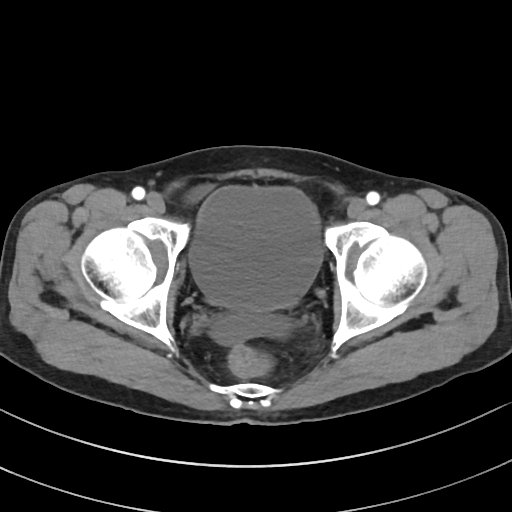

Abdominal CT; axial plane, index 14; 512x512 px; SOMATOM Force scanner; scan has 15 labeled organs (that count is for the whole scan; organs this slice misses have no box)
Box edges are left/top/right/bottom in pixels. The annotated organs in this slice are: bladder at left=189, top=186, right=322, bottom=310.